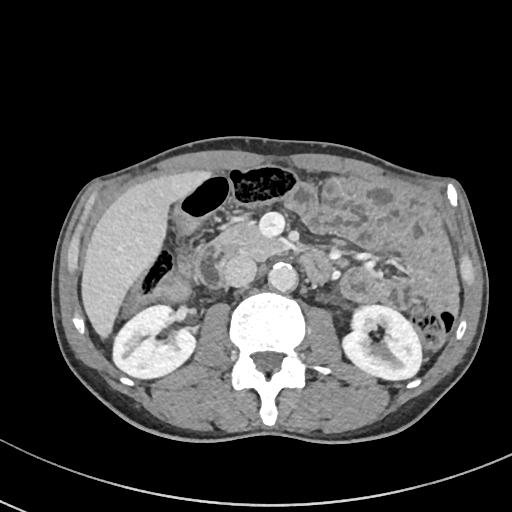 CT, abdomen/pelvis · axial view · soft-tissue window (W 400 / L 40)
{"organs":{"right kidney":[112,305,195,378],"left kidney":[343,305,421,380],"liver":[81,170,210,338],"aorta":[268,262,297,292],"inferior vena cava":[223,254,256,287],"pancreas":[214,222,290,259],"duodenum":[195,244,330,287]}}